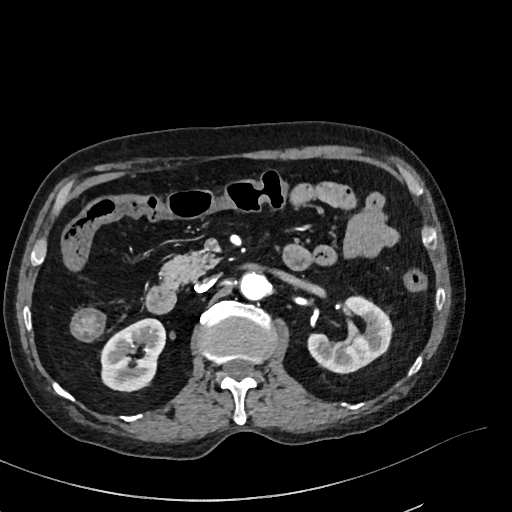

CT abdomen — axial view
Boxes: x1 y1 x2 y2 (pixel coords, space-separated).
Organ bounding boxes:
- right kidney: 100 318 164 391
- left kidney: 306 296 390 373
- aorta: 238 272 269 300
- inferior vena cava: 195 278 214 291
- pancreas: 161 250 220 287
- duodenum: 144 282 177 312